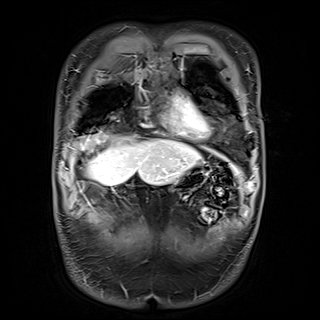 MRI, abdomen. coronal view. percentile-normalized. 320x320 px
Coordinates as <box>x1,y1,x2,y2</box> in pixels. The annotated organs in this slice are: stomach at <box>170,165,207,192</box>, liver at <box>77,134,200,185</box>.